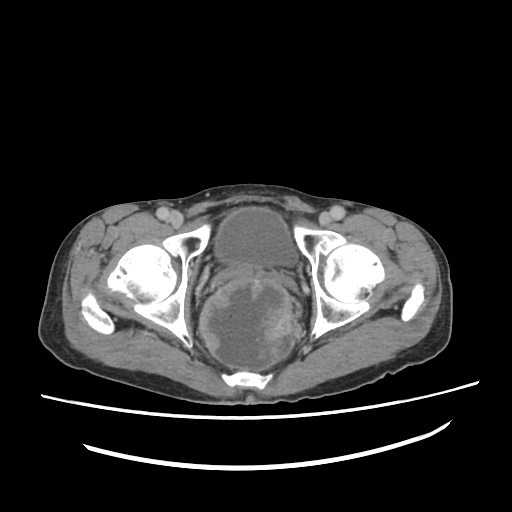

Abdominal CT. axial view. 72-year-old male patient. acquired on Aquilion ONE
Bounding boxes in pixels, one row per box: x1, y1 is the top-left corner and x2, y2 the bottom-right.
| organ | x1 | y1 | x2 | y2 |
|---|---|---|---|---|
| bladder | 215 | 209 | 296 | 266 |